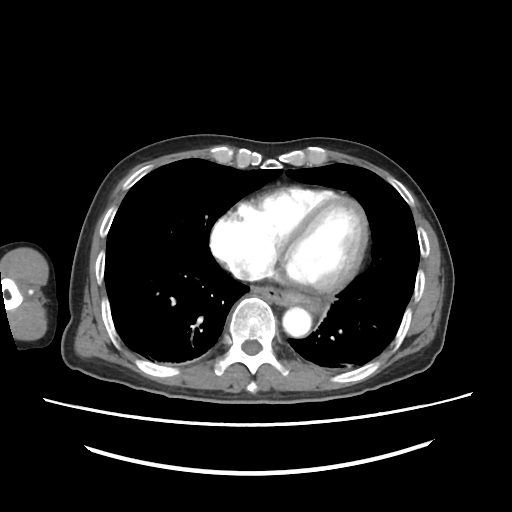

Lower-chest slice from an abdominal CT, just above the liver and spleen; Axial slice 95/132; soft-tissue window (W 400 / L 40); Aquilion ONE scanner
Of the structures in the chest, this dataset labels only the esophagus, the aorta and the inferior vena cava; the heart and lungs have no label.
Each box given as x1,y1,x2,y2.
aorta: x1=282, y1=306, x2=310, y2=335
esophagus: x1=248, y1=285, x2=321, y2=313